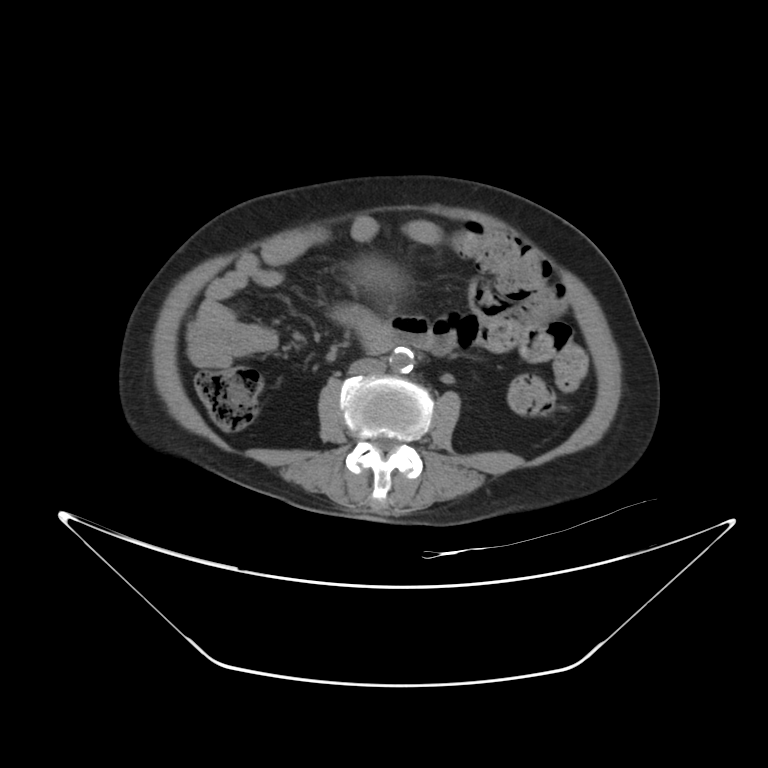

Computed tomography, abdomen; Axial slice 46/93; soft-tissue window (W 400 / L 40); 768x768 px
One row per box, in pixels: columns x1 and y1 give the top-left corner, x2 and y2 the bottom-right.
| organ | x1 | y1 | x2 | y2 |
|---|---|---|---|---|
| stomach | 335 | 307 | 394 | 348 |
| aorta | 388 | 348 | 413 | 372 |
| inferior vena cava | 348 | 358 | 386 | 375 |
| duodenum | 367 | 337 | 404 | 357 |